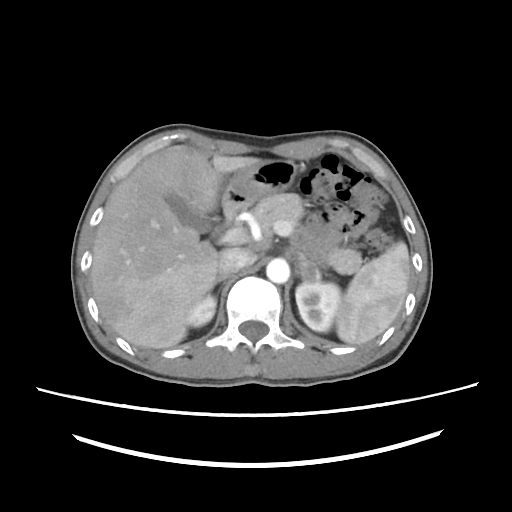 CT, abdomen/pelvis; axial plane, index 32; abdomen soft-tissue window; 512x512 px
Organ boxes in pixel coordinates; each row gives the top-left (x1, y1) and bottom-right (x2, y2) corners.
| organ | x1 | y1 | x2 | y2 |
|---|---|---|---|---|
| gall bladder | 166 | 196 | 224 | 237 |
| aorta | 266 | 257 | 288 | 283 |
| left adrenal gland | 293 | 252 | 322 | 283 |
| liver | 90 | 144 | 261 | 348 |
| pancreas | 231 | 194 | 361 | 274 |
| right kidney | 188 | 296 | 215 | 327 |
| spleen | 335 | 242 | 409 | 345 |
| stomach | 224 | 158 | 296 | 214 |
| inferior vena cava | 218 | 248 | 256 | 276 |
| left kidney | 295 | 282 | 341 | 331 |
| right adrenal gland | 208 | 276 | 227 | 297 |